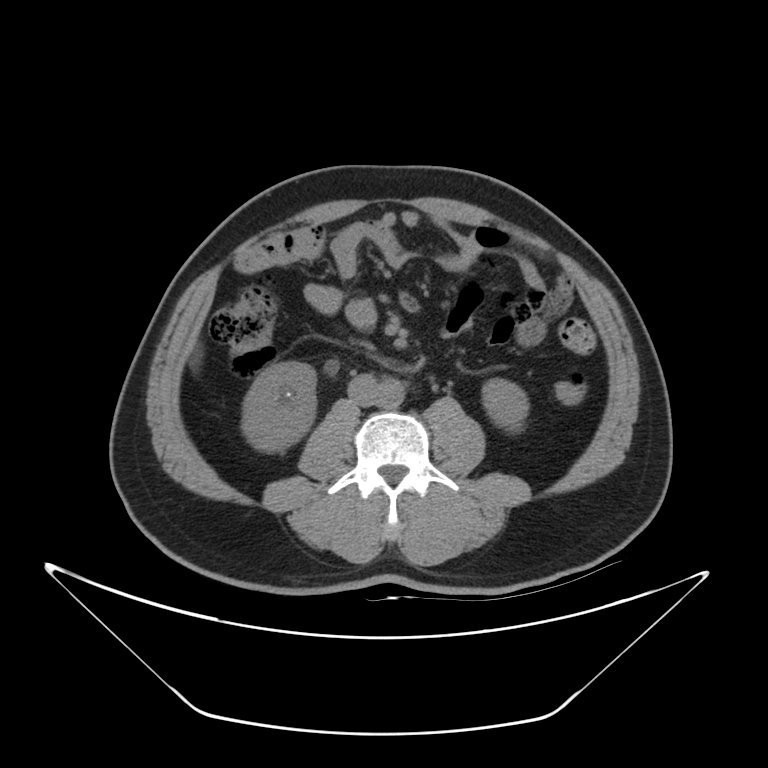
Computed tomography, abdomen — axial plane, index 49 — 768x768 px — scan has 15 labeled organs (a whole-scan count: organs this slice does not pass through have no box)
Organ boxes in pixel coordinates; each row gives the top-left (x1, y1) and bottom-right (x2, y2) corners.
| organ | x1 | y1 | x2 | y2 |
|---|---|---|---|---|
| right kidney | 242 | 362 | 316 | 452 |
| left kidney | 482 | 379 | 528 | 430 |
| aorta | 375 | 378 | 404 | 408 |
| inferior vena cava | 348 | 373 | 377 | 405 |